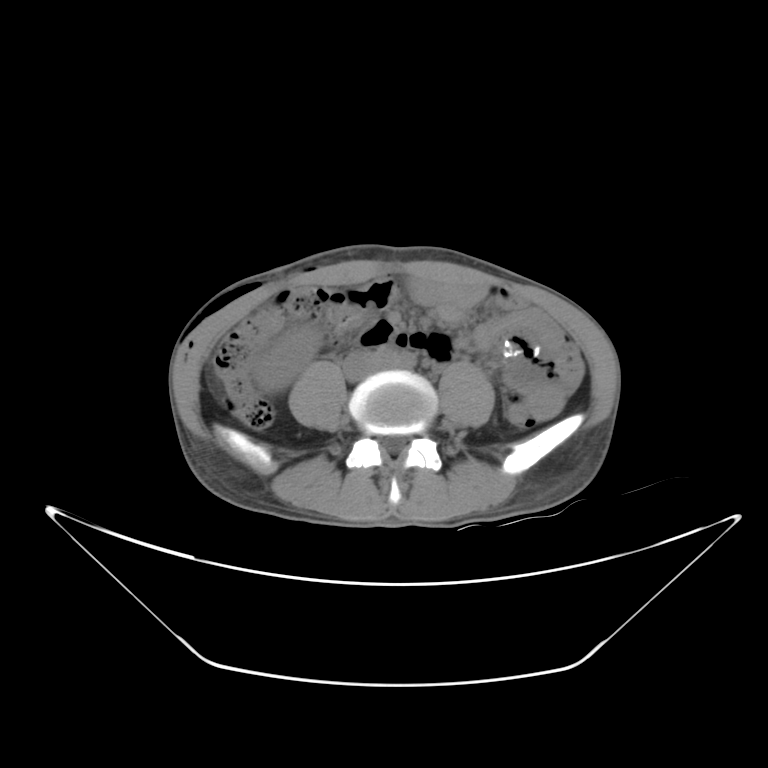 Computed tomography, abdomen · axial view · W/L 400/40 HU · 768x768 px · Brilliance16 scanner
Bounding boxes in pixels, one row per box: x1, y1 is the top-left corner and x2, y2 the bottom-right.
| organ | x1 | y1 | x2 | y2 |
|---|---|---|---|---|
| right kidney | 252 | 322 | 320 | 390 |
| inferior vena cava | 342 | 347 | 378 | 380 |